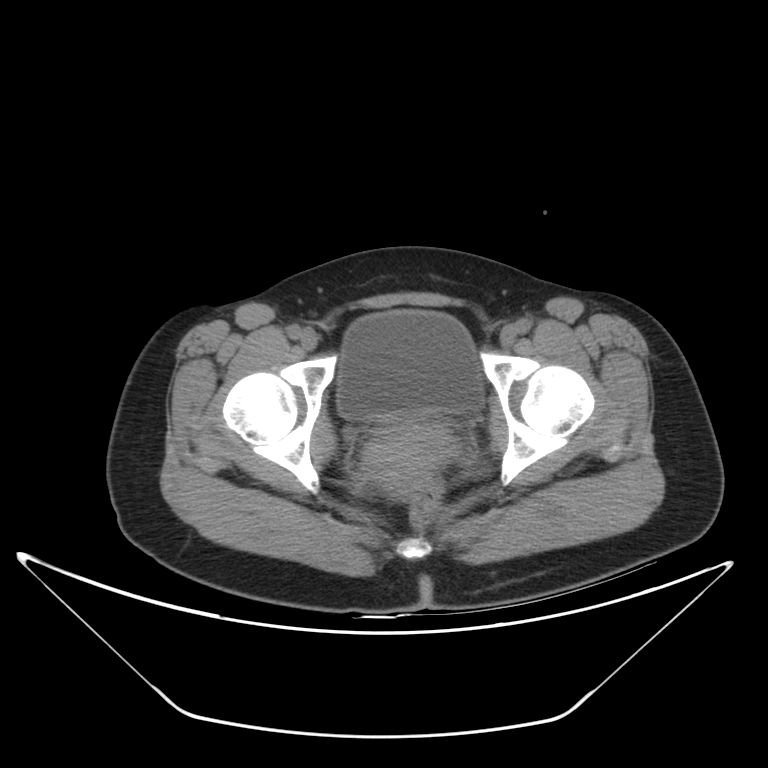
Abdominal CT. axial view. soft-tissue window
Boxes are (x1, y1, x2, y2) in pixels.
Organ bounding boxes:
- prostate/uterus: (364, 422, 458, 493)
- bladder: (337, 310, 484, 418)